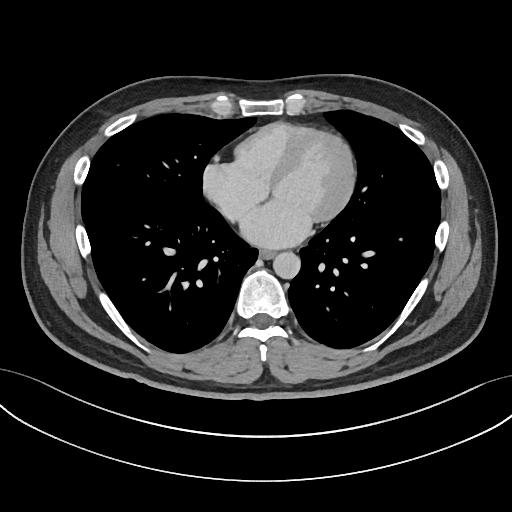 Abdominal CT; this slice is in the lower chest, just above the liver — axial view — soft-tissue window (W 400 / L 40) — acquired on SOMATOM Force
The heart and lungs are never labeled in this dataset, so they have no box on this slice. Box edges are left/top/right/bottom in pixels. 2 labeled organs on this slice — aorta at left=273, top=252, right=300, bottom=278; esophagus at left=259, top=250, right=275, bottom=259.